Abdominal CT; axial plane, index 104; scan has 15 labeled organs (counted over the whole 3D scan, not this slice; an organ is boxed only where this slice passes through it)
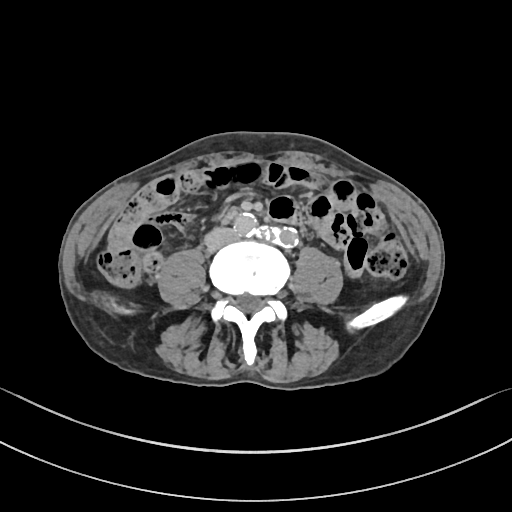
Each box given as x1,y1,x2,y2.
inferior vena cava: x1=204, y1=227, x2=237, y2=252